Computed tomography, abdomen; axial view; 15 organs annotated in this scan (that count is for the whole scan; organs this slice misses have no box)
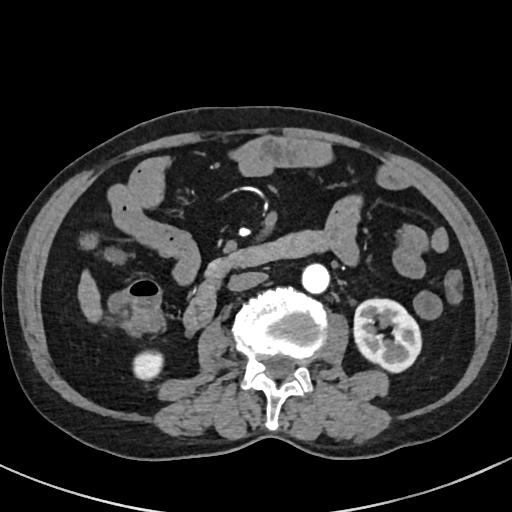 Coordinates as <box>x1,y1,x2,y2</box> in pixels.
Organ bounding boxes:
- right kidney: <box>134,352,163,379</box>
- left kidney: <box>354,298,421,371</box>
- liver: <box>80,276,99,319</box>
- aorta: <box>302,262,329,292</box>
- inferior vena cava: <box>228,271,266,291</box>
- pancreas: <box>204,258,220,275</box>
- duodenum: <box>185,231,327,329</box>